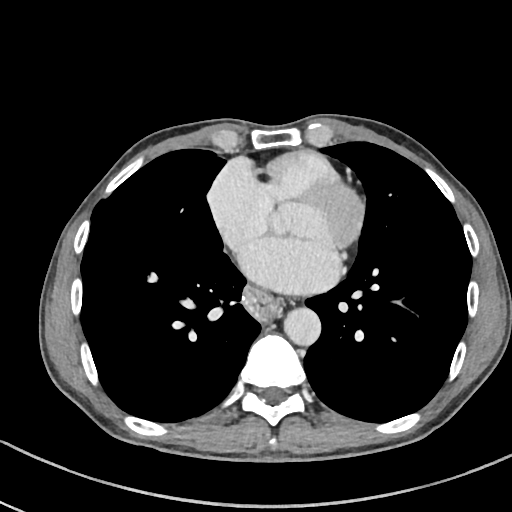

Abdominal CT; this slice is in the lower chest, just above the liver · axial view
The heart and lungs are never labeled in this dataset, so they have no box on this slice.
Boxes: x1 y1 x2 y2 (pixel coords, space-separated).
aorta: 284 307 320 345
esophagus: 244 287 281 320